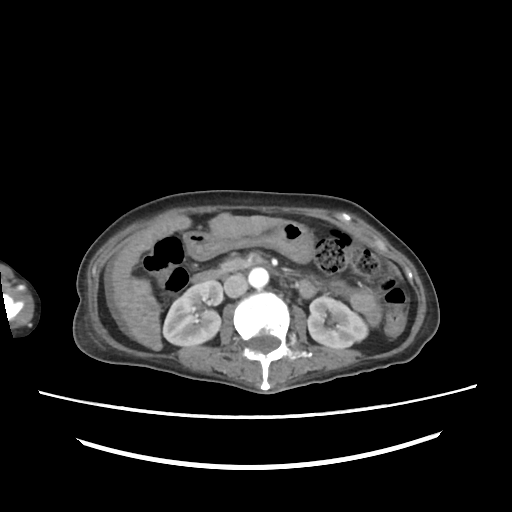
Computed tomography, abdomen; axial plane, index 52; 512x512 px; 48-year-old female patient
Organ boxes in pixel coordinates; each row gives the top-left (x1, y1) and bottom-right (x2, y2) corners.
| organ | x1 | y1 | x2 | y2 |
|---|---|---|---|---|
| inferior vena cava | 224 | 274 | 247 | 297 |
| right kidney | 163 | 281 | 222 | 346 |
| aorta | 248 | 268 | 268 | 288 |
| pancreas | 220 | 258 | 253 | 273 |
| duodenum | 191 | 269 | 223 | 283 |
| liver | 111 | 212 | 284 | 350 |
| left kidney | 307 | 296 | 367 | 348 |
| stomach | 184 | 221 | 313 | 260 |